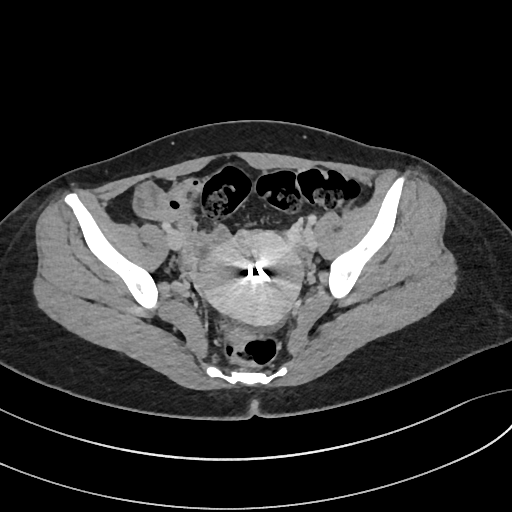

CT abdomen · axial view · 512x512 px
Boxes are (x1, y1, x2, y2) in pixels.
prostate/uterus: (195, 230, 302, 325)